Chest-level CT slice, above the liver and spleen · axial view
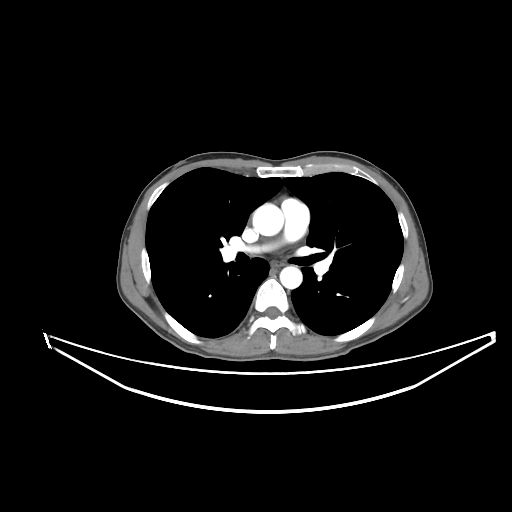 At this level of the chest this dataset labels only the esophagus and the aorta, and each is boxed only where it is labeled; the heart and lungs are never labeled.
{"organs":{"esophagus":[273,260,285,267],"aorta":[[252,203,283,235],[280,266,302,288]]}}